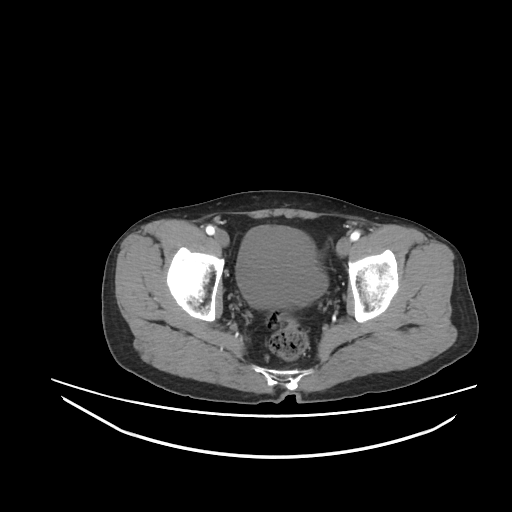
Abdominal CT — Axial slice 24/134 — acquired on Aquilion ONE
{"organs":{"bladder":[235,225,327,308]}}